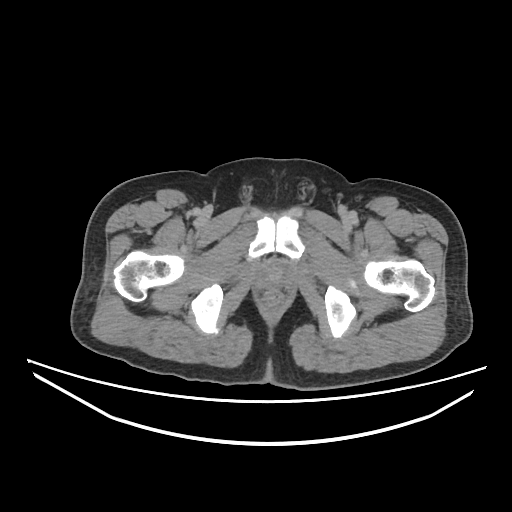

CT, abdomen/pelvis · Axial slice 22/115 · 15 organs annotated in this scan (a whole-scan count: organs this slice does not pass through have no box)
<organs><organ name="prostate/uterus" x1="260" y1="264" x2="288" y2="289"/></organs>